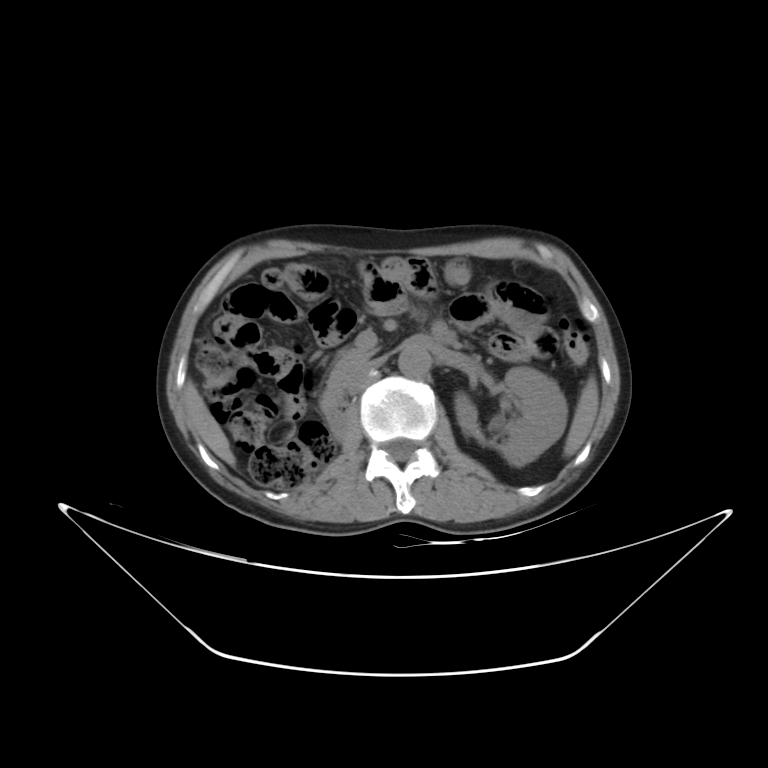 CT abdomen · axial view · abdomen soft-tissue window · acquired on Brilliance16
Organ boxes in pixel coordinates; each row gives the top-left (x1, y1) and bottom-right (x2, y2) corners.
| organ | x1 | y1 | x2 | y2 |
|---|---|---|---|---|
| duodenum | 321 | 390 | 347 | 432 |
| liver | 185 | 382 | 235 | 466 |
| aorta | 398 | 345 | 431 | 377 |
| left kidney | 454 | 367 | 567 | 466 |
| spleen | 564 | 376 | 598 | 456 |
| pancreas | 326 | 348 | 372 | 390 |
| inferior vena cava | 346 | 358 | 382 | 393 |